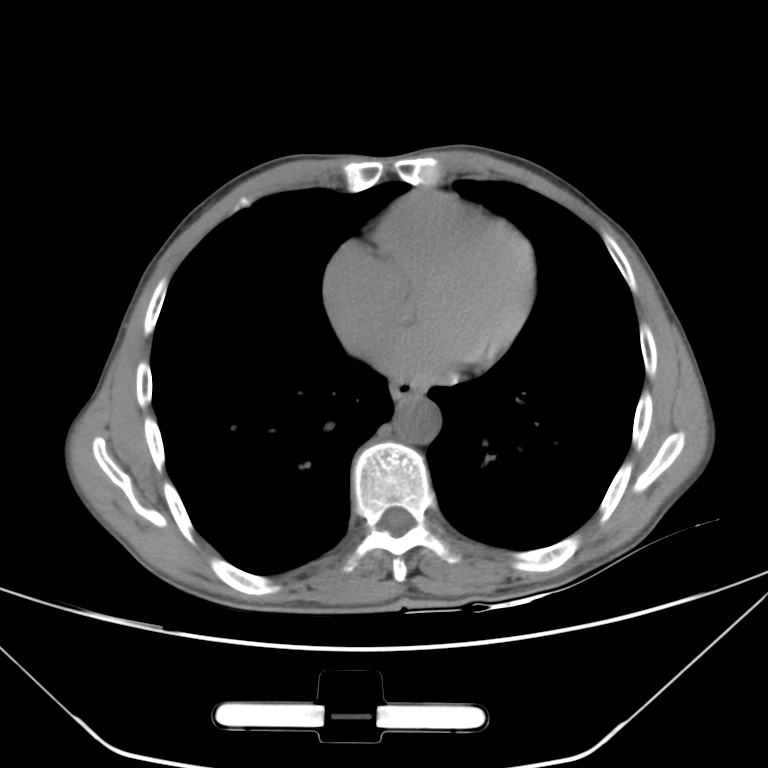 Abdominal CT; this slice is in the lower chest, just above the liver; Axial slice 84/85; 768x768 px; acquired on Brilliance16
No part of the heart or lungs is labeled in this dataset, so neither has a box here.
One row per box, in pixels: columns x1 and y1 give the top-left corner, x2 and y2 the bottom-right.
| organ | x1 | y1 | x2 | y2 |
|---|---|---|---|---|
| esophagus | 391 | 382 | 422 | 401 |
| aorta | 394 | 397 | 440 | 443 |